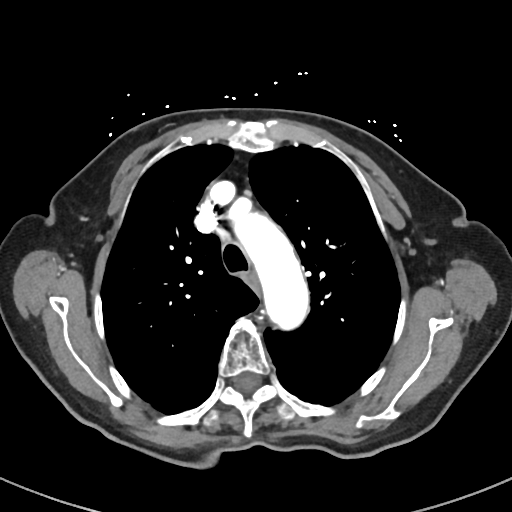

Chest-level slice from an abdominal CT that extends up into the chest — axial plane, index 241
On a slice this high in the chest, this dataset labels only the esophagus and the aorta, and each is boxed only where it is labeled; the heart, lungs and other chest structures are not labeled.
One row per box, in pixels: columns x1 and y1 give the top-left corner, x2 and y2 the bottom-right.
| organ | x1 | y1 | x2 | y2 |
|---|---|---|---|---|
| esophagus | 247 | 273 | 260 | 291 |
| aorta | 225 | 197 | 310 | 334 |